Chest-level CT slice, above the liver and spleen · axial view · 512x512 px
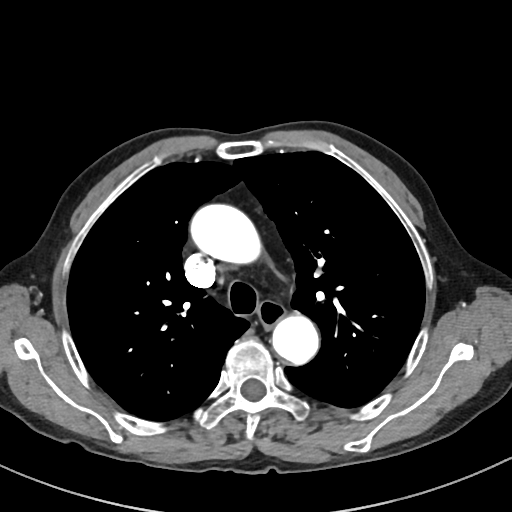

On a slice this high in the chest, this dataset labels only the esophagus and the aorta, and each is boxed only where it is labeled; the heart, lungs and other chest structures are not labeled.
{"organs":{"esophagus":[256,302,286,331],"aorta":[[190,204,261,263],[271,314,319,364]]}}